Abdominal MR · Axial slice 44/72
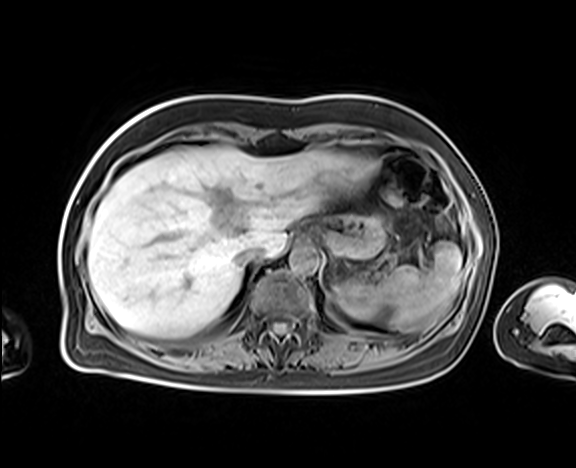 {"organs":{"spleen":[375,241,461,329],"left kidney":[336,281,381,319],"liver":[88,146,378,337],"stomach":[318,214,386,258],"aorta":[289,245,318,273],"inferior vena cava":[236,245,263,267]}}